CT, abdomen/pelvis · Axial slice 161/235 · soft-tissue window (W 400 / L 40) · 512x512 px
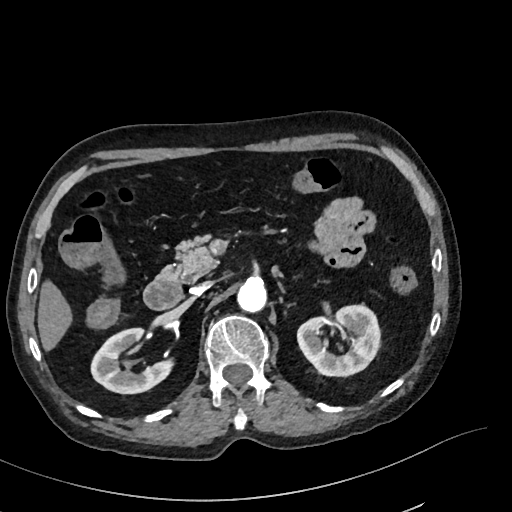

Bounding boxes as [x1, y1, x2, y2] in pixel coordinates.
left adrenal gland: [292, 274, 302, 281]
right kidney: [91, 328, 175, 393]
pancreas: [159, 234, 218, 281]
aorta: [237, 279, 266, 313]
liver: [37, 281, 71, 350]
inferior vena cava: [190, 281, 213, 294]
left kidney: [297, 306, 378, 376]
duodenum: [143, 275, 181, 309]